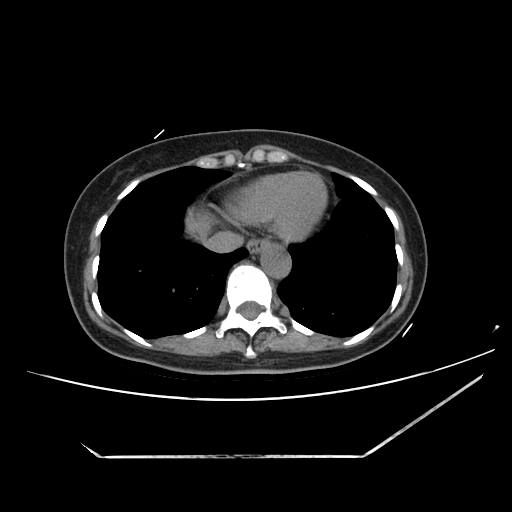 Computed tomography, abdomen; axial view
Organ boxes in pixel coordinates; each row gives the top-left (x1, y1) and bottom-right (x2, y2) corners.
| organ | x1 | y1 | x2 | y2 |
|---|---|---|---|---|
| liver | 188 | 215 | 207 | 235 |
| aorta | 261 | 245 | 292 | 280 |
| inferior vena cava | 206 | 230 | 244 | 253 |
| esophagus | 246 | 240 | 265 | 255 |